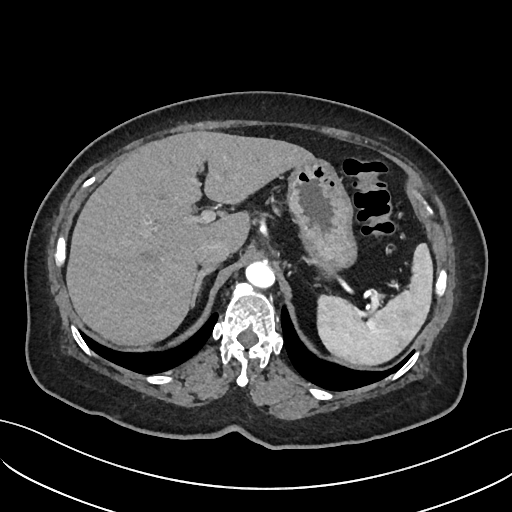 Abdominal CT — axial view — W/L 400/40 HU
{"organs":{"aorta":[246,257,274,286],"right adrenal gland":[190,266,216,307],"spleen":[316,244,433,367],"stomach":[286,158,354,271],"liver":[66,130,314,346],"inferior vena cava":[193,239,230,266]}}